CT abdomen — axial view — 512x512 px — SOMATOM Force scanner
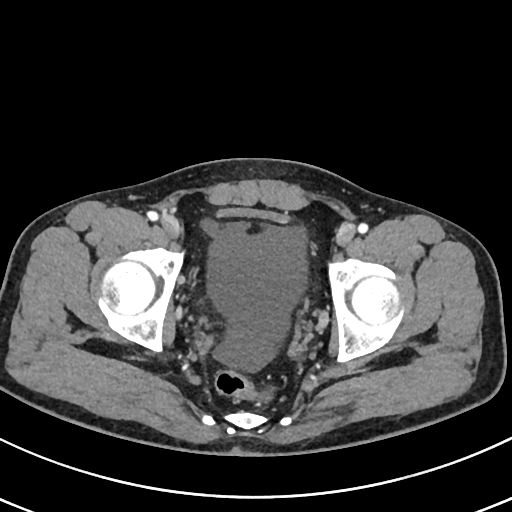 {"organs":{"bladder":[217,207,289,224]}}